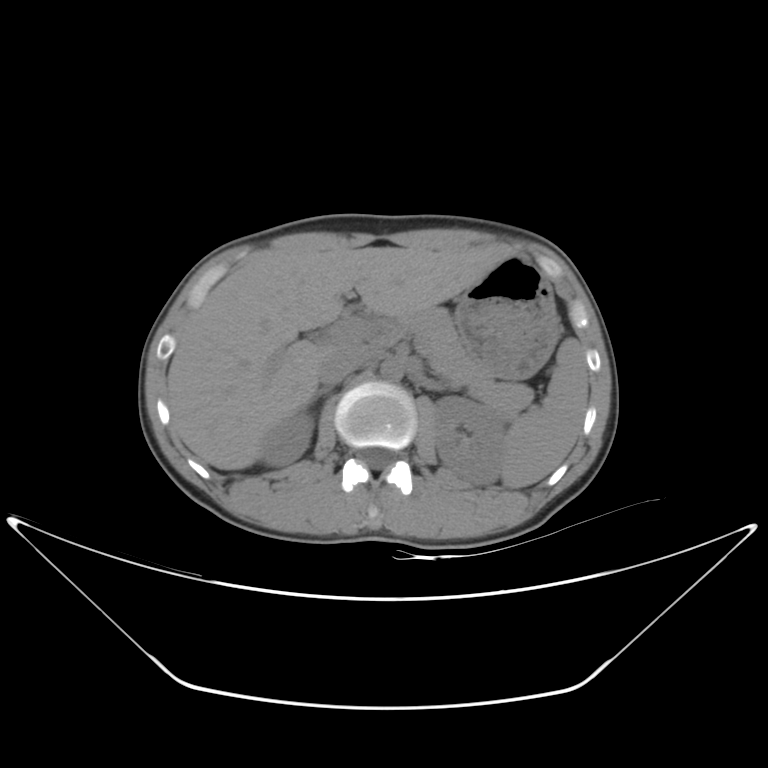

CT abdomen — axial view
<organs><organ name="spleen" x1="501" y1="339" x2="588" y2="487"/><organ name="right kidney" x1="260" y1="411" x2="314" y2="466"/><organ name="left kidney" x1="432" y1="395" x2="505" y2="484"/><organ name="liver" x1="167" y1="246" x2="501" y2="469"/><organ name="stomach" x1="456" y1="256" x2="560" y2="379"/><organ name="aorta" x1="380" y1="359" x2="403" y2="382"/><organ name="inferior vena cava" x1="316" y1="345" x2="370" y2="384"/><organ name="pancreas" x1="403" y1="308" x2="532" y2="413"/><organ name="right adrenal gland" x1="311" y1="388" x2="330" y2="399"/></organs>